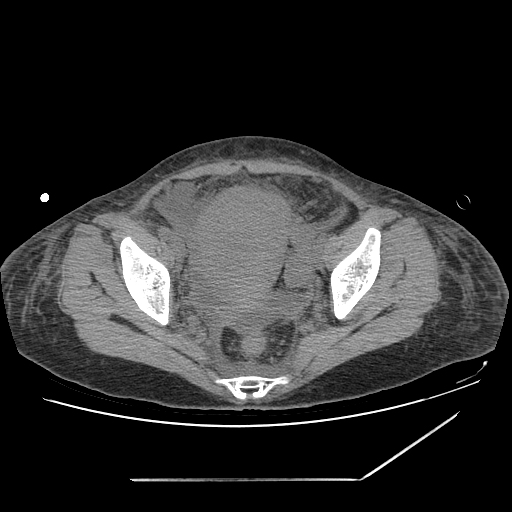 Computed tomography, abdomen; axial view; 512x512 px
Organ boxes in pixel coordinates; each row gives the top-left (x1, y1) and bottom-right (x2, y2) corners.
| organ | x1 | y1 | x2 | y2 |
|---|---|---|---|---|
| prostate/uterus | 196 | 186 | 288 | 307 |